CT of the abdomen extending into the chest, slice through the chest. axial plane, index 128. 15 organs annotated in this scan (that count is for the whole scan; organs this slice misses have no box)
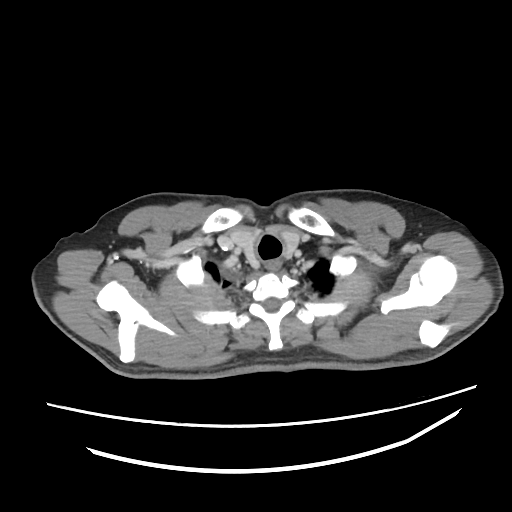 On a slice this high in the chest, this dataset labels only the esophagus and the aorta, and each is boxed only where it is labeled; the heart, lungs and other chest structures are not labeled.
{"organs":{"esophagus":[265,261,281,271]}}